Abdominal MRI; coronal view; 13 organs annotated in this scan (counted over the whole 3D scan, not this slice; an organ is boxed only where this slice passes through it)
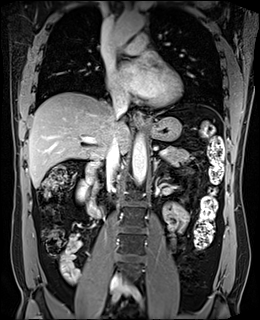 Bounding boxes as [x1, y1, x2, y2] in pixel coordinates. 9 labeled organs on this slice — right kidney at [77, 180, 90, 201]; esophagus at [133, 111, 144, 125]; liver at [28, 92, 130, 188]; stomach at [145, 116, 181, 141]; aorta at [109, 12, 145, 55]; aorta at [132, 134, 146, 184]; inferior vena cava at [106, 135, 120, 183]; inferior vena cava at [112, 96, 128, 122]; pancreas at [163, 146, 194, 162]; left adrenal gland at [154, 158, 167, 176]; duodenum at [86, 160, 102, 218].